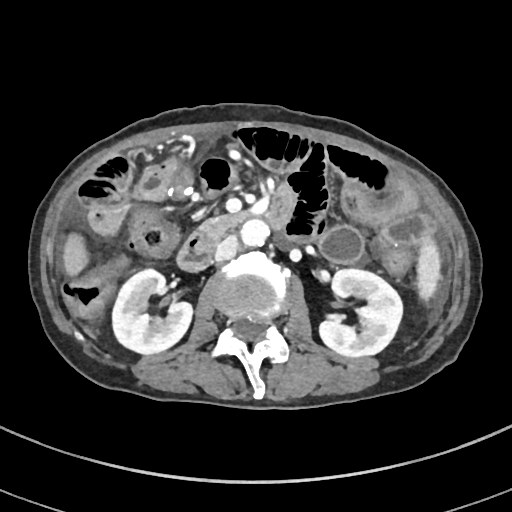 Computed tomography, abdomen · axial plane, index 114 · 512x512 px · scan has 14 labeled organs (a whole-scan count: organs this slice does not pass through have no box)
One row per box, in pixels: columns x1 and y1 give the top-left corner, x2 and y2 the bottom-right.
| organ | x1 | y1 | x2 | y2 |
|---|---|---|---|---|
| spleen | 417 | 234 | 440 | 300 |
| right kidney | 112 | 269 | 192 | 354 |
| left kidney | 319 | 269 | 402 | 356 |
| liver | 62 | 233 | 88 | 276 |
| aorta | 241 | 219 | 269 | 246 |
| inferior vena cava | 214 | 235 | 239 | 261 |
| pancreas | 199 | 213 | 246 | 240 |
| duodenum | 176 | 184 | 295 | 271 |